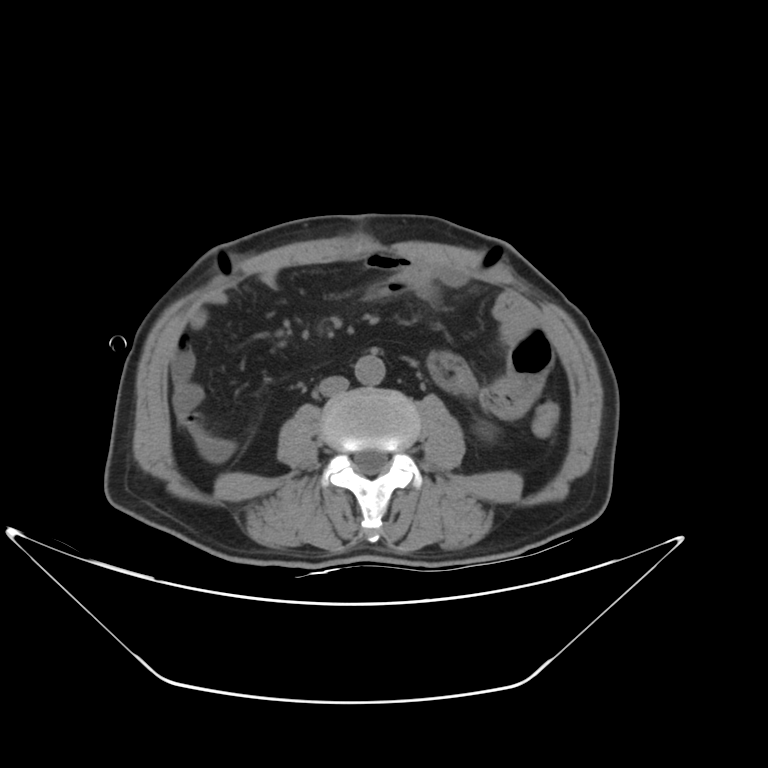

Abdominal CT. axial view. soft-tissue window (W 400 / L 40). Brilliance16 scanner
{"organs":{"aorta":[355,355,384,384],"inferior vena cava":[319,376,349,396]}}